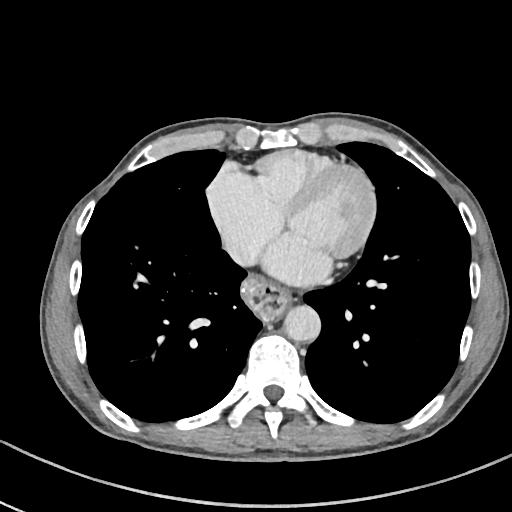 Lower-chest slice from an abdominal CT, just above the liver and spleen · axial view · soft-tissue window (W 400 / L 40)
No part of the heart or lungs is labeled in this dataset, so neither has a box here.
{"organs":{"esophagus":[242,278,289,322],"aorta":[284,305,320,342],"inferior vena cava":[233,248,239,255]}}